Abdominal CT. axial view. soft-tissue window. 512x512 px. 62-year-old female patient
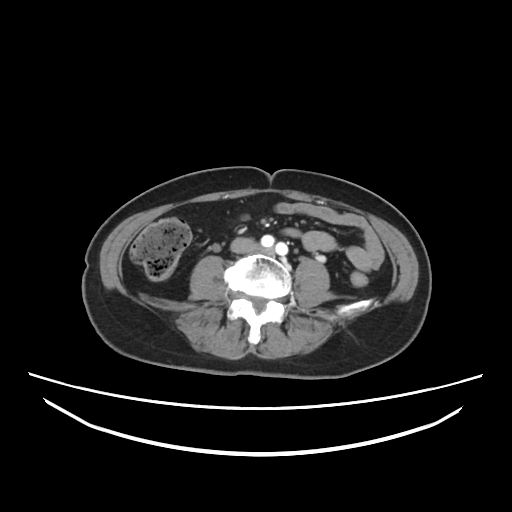

Coordinates as <box>x1,y1,x2,y2</box> in pixels.
Organ bounding boxes:
- inferior vena cava: <box>231,237,256,252</box>